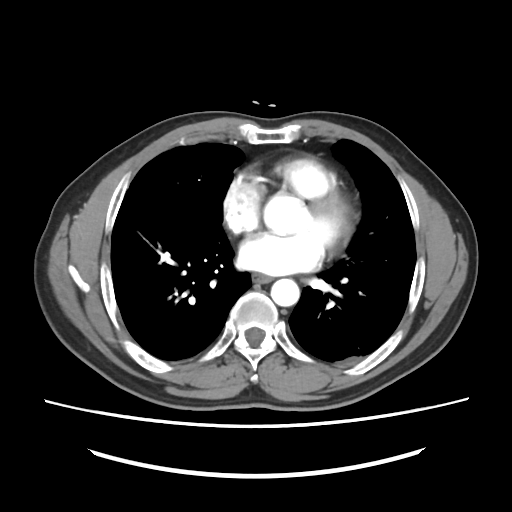

CT of the abdomen reaching into the lower chest, slice just above the liver and spleen · Axial slice 102/134 · soft-tissue window, W/L 400/40 · 46-year-old male patient
Of the structures in the chest, this dataset labels only the esophagus, the aorta and the inferior vena cava; the heart and lungs have no label. Bounding boxes as [x1, y1, x2, y2] in pixel coordinates. 2 labeled organs on this slice — esophagus at [252, 273, 272, 283]; aorta at [270, 278, 299, 306].